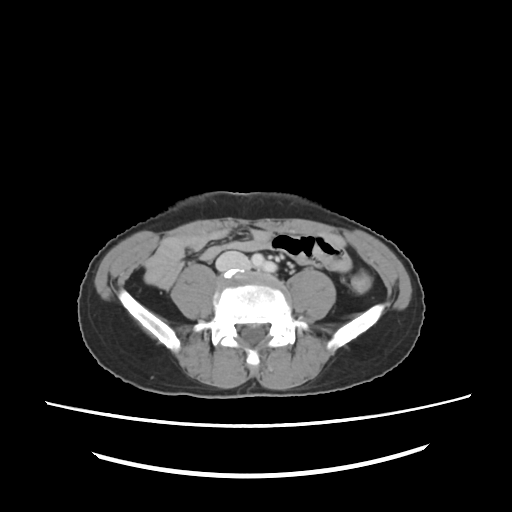
CT, abdomen/pelvis — Axial slice 42/126
{"organs":{"inferior vena cava":[215,251,249,271]}}